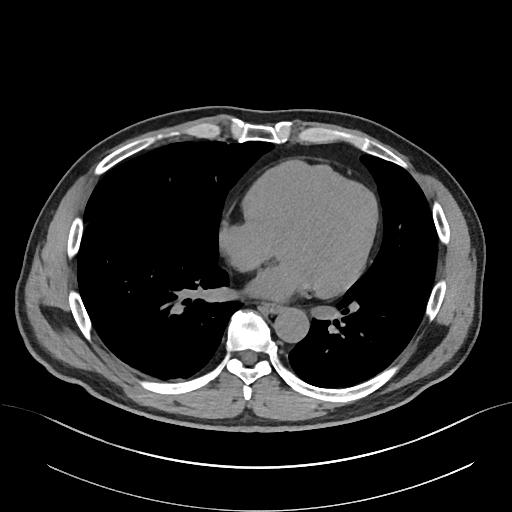
Abdominal CT; this slice is in the lower chest, just above the liver · Axial slice 256/265 · soft-tissue window, W/L 400/40 · 15 organs annotated in this scan (counted over the whole 3D scan, not this slice; an organ is boxed only where this slice passes through it)
Of the structures in the chest, this dataset labels only the esophagus, the aorta and the inferior vena cava; the heart and lungs have no label.
Boxes: x1 y1 x2 y2 (pixel coords, space-separated).
aorta: 274 308 308 343
esophagus: 262 304 281 313